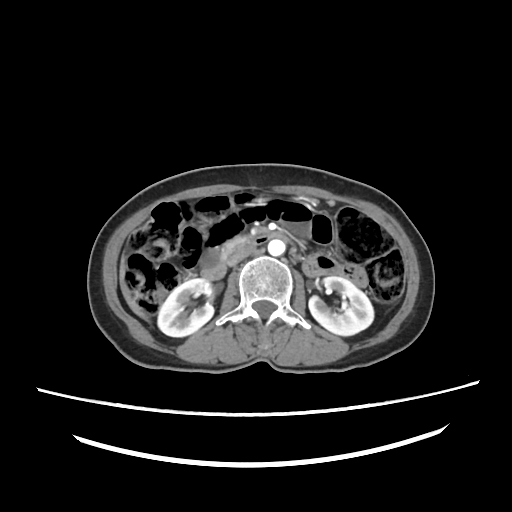

CT, abdomen/pelvis. Axial slice 51/82. abdomen soft-tissue window. Aquilion ONE scanner
<organs><organ name="right kidney" x1="157" y1="278" x2="214" y2="335"/><organ name="left kidney" x1="308" y1="276" x2="374" y2="334"/><organ name="liver" x1="119" y1="255" x2="148" y2="319"/><organ name="aorta" x1="268" y1="240" x2="285" y2="256"/><organ name="inferior vena cava" x1="228" y1="245" x2="254" y2="266"/><organ name="pancreas" x1="225" y1="233" x2="252" y2="252"/><organ name="duodenum" x1="199" y1="233" x2="277" y2="279"/></organs>